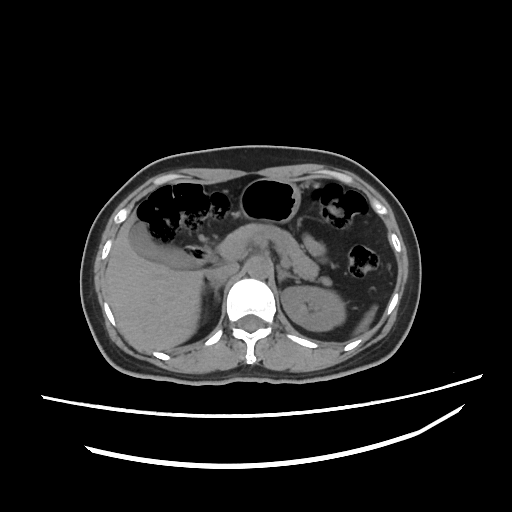
Abdominal CT; axial view; 43-year-old female patient
Bounding boxes in pixels, one row per box: x1, y1 is the top-left corner and x2, y2 the bottom-right.
| organ | x1 | y1 | x2 | y2 |
|---|---|---|---|---|
| spleen | 356 | 307 | 376 | 335 |
| left kidney | 280 | 286 | 345 | 332 |
| gall bladder | 128 | 225 | 202 | 271 |
| liver | 105 | 217 | 204 | 350 |
| stomach | 239 | 179 | 302 | 224 |
| aorta | 245 | 255 | 271 | 278 |
| inferior vena cava | 207 | 263 | 238 | 283 |
| pancreas | 219 | 223 | 330 | 285 |
| right adrenal gland | 209 | 284 | 221 | 297 |
| left adrenal gland | 277 | 265 | 298 | 281 |
| duodenum | 183 | 245 | 218 | 262 |